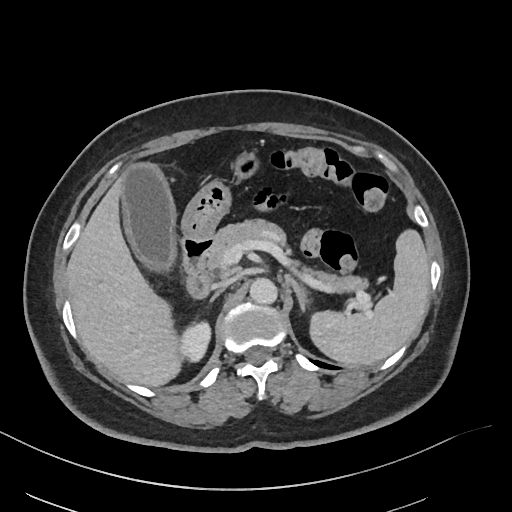
CT, abdomen/pelvis · axial view · W/L 400/40 HU · 15 organs annotated in this scan (a whole-scan count: organs this slice does not pass through have no box)
Boxes: x1 y1 x2 y2 (pixel coords, space-separated). 11 labeled organs on this slice — spleen at 310 229 429 365; right kidney at 179 321 211 362; gall bladder at 121 162 173 270; liver at 67 170 181 386; stomach at 128 152 260 238; aorta at 249 278 277 303; inferior vena cava at 212 278 233 290; pancreas at 202 219 367 292; right adrenal gland at 212 292 219 299; left adrenal gland at 285 273 307 311; duodenum at 182 236 210 298.